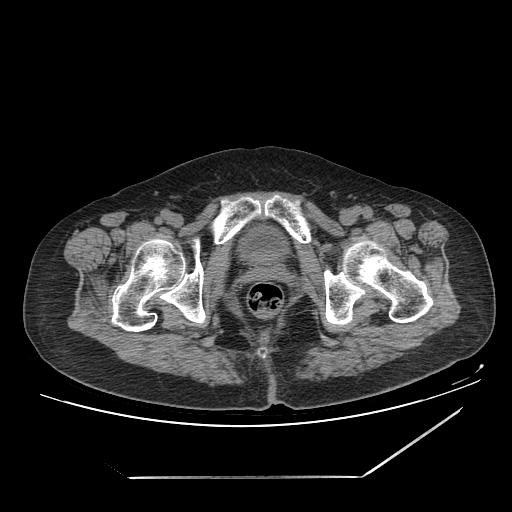
CT abdomen · axial view · soft-tissue window (W 400 / L 40) · SOMATOM Force scanner
{"organs":{"bladder":[246,234,280,254]}}